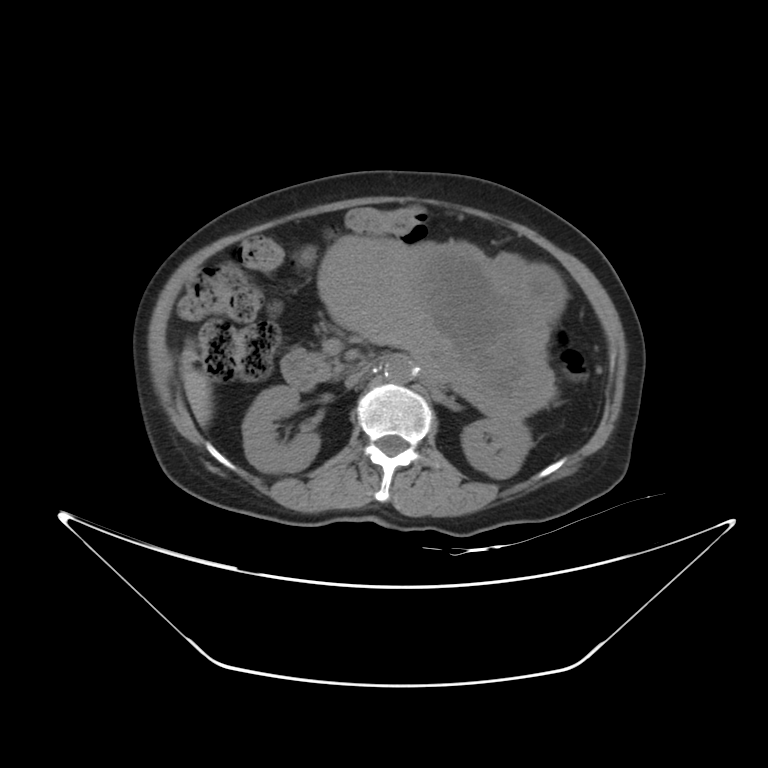
Abdominal CT. axial view. scan has 15 labeled organs (a whole-scan count: organs this slice does not pass through have no box)
{"organs":{"inferior vena cava":[344,364,368,387],"left kidney":[461,416,531,478],"duodenum":[281,348,333,390],"aorta":[383,355,415,384],"stomach":[321,235,564,405],"liver":[187,371,211,427],"pancreas":[317,354,536,418],"right kidney":[242,385,320,472]}}